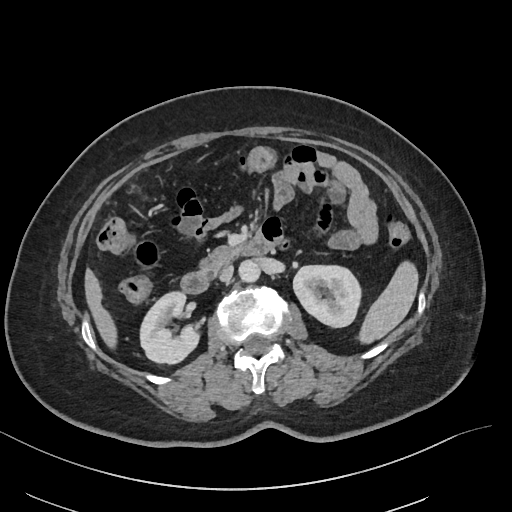

CT, abdomen/pelvis. axial plane, index 155. soft-tissue window (W 400 / L 40). 512x512 px. SOMATOM Force scanner
Each box given as x1,y1,x2,y2.
inferior vena cava: x1=219, y1=265, x2=233, y2=282
duodenum: x1=180, y1=240, x2=275, y2=293
left kidney: x1=293, y1=265, x2=361, y2=327
aorta: x1=239, y1=260, x2=260, y2=282
liver: x1=84, y1=268, x2=117, y2=348
right kidney: x1=140, y1=292, x2=199, y2=364
pancreas: x1=200, y1=246, x2=239, y2=270
spleen: x1=358, y1=261, x2=418, y2=343